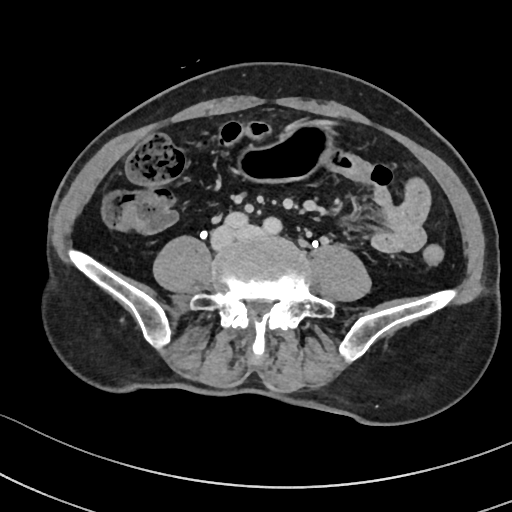

Computed tomography, abdomen · axial view
<organs><organ name="stomach" x1="241" y1="123" x2="330" y2="181"/></organs>